CT, abdomen/pelvis. axial plane, index 8. soft-tissue window
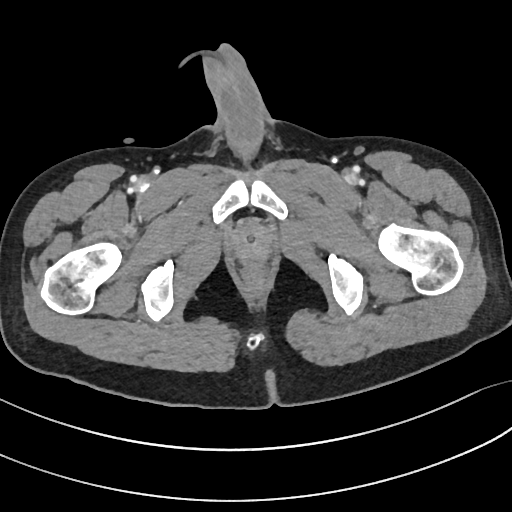
Box edges are left/top/right/bottom in pixels.
prostate/uterus: left=232, top=223, right=271, bottom=261